CT, abdomen/pelvis; Axial slice 51/111; 48-year-old female patient; 15 organs annotated in this scan (counted over the whole 3D scan, not this slice; an organ is boxed only where this slice passes through it)
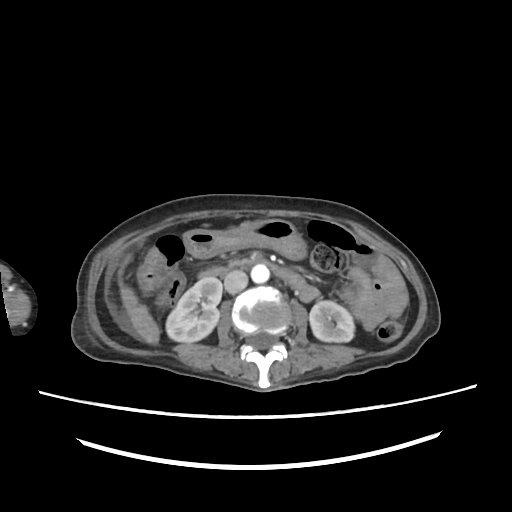 Boxes are (x1, y1, x2, y2) in pixels.
right kidney: (166, 278, 221, 342)
left kidney: (309, 300, 354, 342)
liver: (118, 222, 256, 344)
stomach: (183, 219, 305, 258)
aorta: (251, 265, 269, 283)
inferior vena cava: (224, 270, 247, 293)
pancreas: (229, 261, 247, 266)
duodenum: (199, 259, 305, 288)